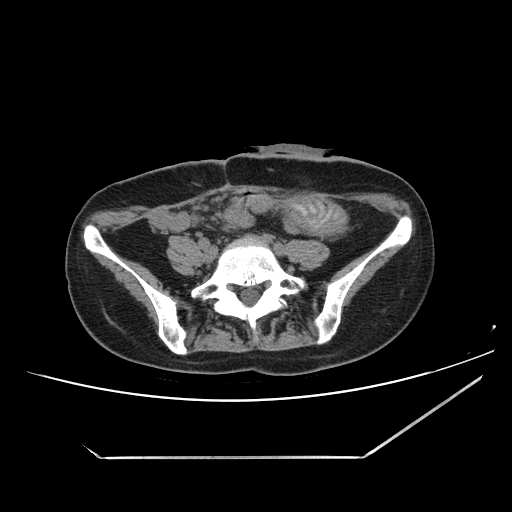 CT, abdomen/pelvis; axial view; 512x512 px
<organs><organ name="stomach" x1="286" y1="195" x2="346" y2="236"/></organs>